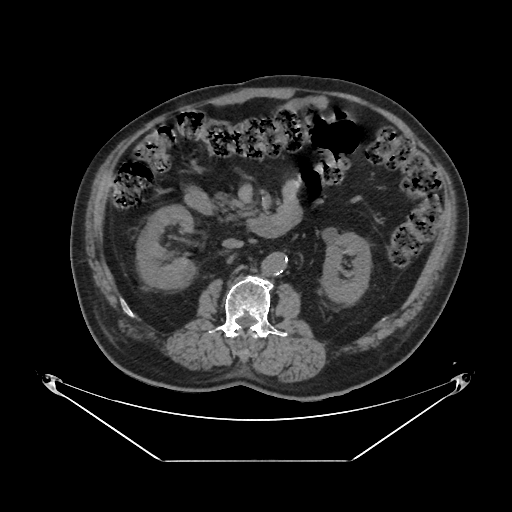 CT, abdomen/pelvis · axial view · W/L 400/40 HU
Box edges are left/top/right/bottom in pixels.
right kidney: left=136, top=205, right=193, bottom=287
left kidney: left=324, top=232, right=370, bottom=301
aorta: left=264, top=251, right=288, bottom=274
inferior vena cava: left=223, top=238, right=243, bottom=248
pancreas: left=215, top=195, right=248, bottom=220
duodenum: left=185, top=190, right=289, bottom=238